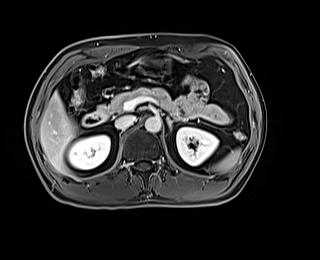

Abdominal MR · axial view
Boxes are (x1, y1, x2, y2) in pixels.
spleen: (211, 149, 240, 172)
right kidney: (68, 135, 109, 169)
left kidney: (176, 127, 218, 165)
liver: (40, 92, 77, 173)
stomach: (139, 59, 171, 75)
aorta: (145, 117, 161, 132)
inferior vena cava: (115, 116, 136, 128)
pancreas: (97, 87, 177, 114)
left adrenal gland: (166, 116, 172, 131)
duodenum: (82, 111, 108, 126)